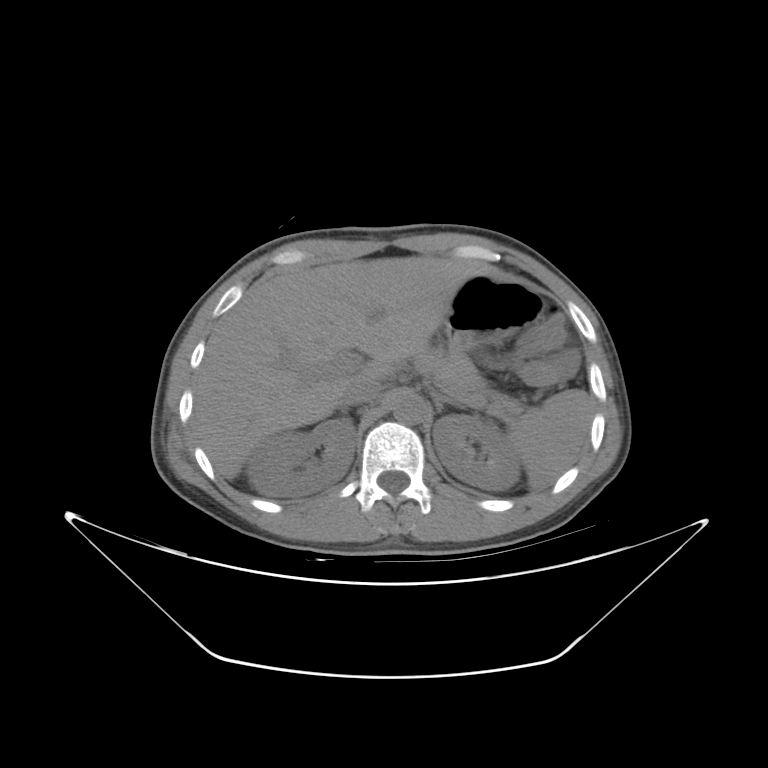 Abdominal CT; axial view; acquired on Brilliance16
<organs><organ name="pancreas" x1="433" y1="349" x2="522" y2="416"/><organ name="right kidney" x1="246" y1="418" x2="356" y2="496"/><organ name="left kidney" x1="433" y1="415" x2="520" y2="490"/><organ name="liver" x1="198" y1="256" x2="487" y2="479"/><organ name="left adrenal gland" x1="431" y1="391" x2="464" y2="413"/><organ name="inferior vena cava" x1="339" y1="377" x2="382" y2="406"/><organ name="stomach" x1="445" y1="275" x2="541" y2="351"/><organ name="spleen" x1="508" y1="389" x2="593" y2="488"/><organ name="aorta" x1="392" y1="393" x2="427" y2="424"/></organs>